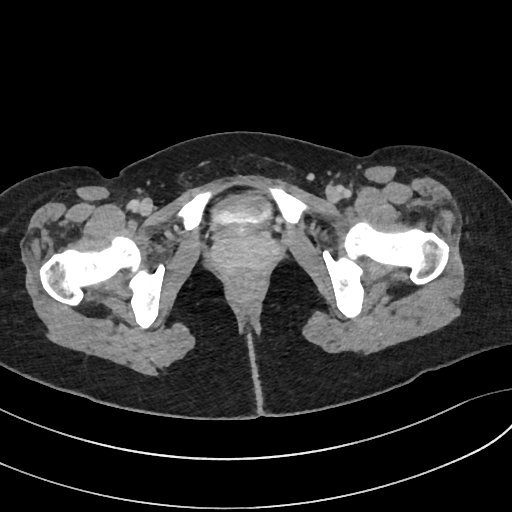
CT abdomen. axial plane, index 23. 15 organs annotated in this scan (counted over the whole 3D scan, not this slice; an organ is boxed only where this slice passes through it)
{"organs":{"bladder":[214,193,271,226]}}